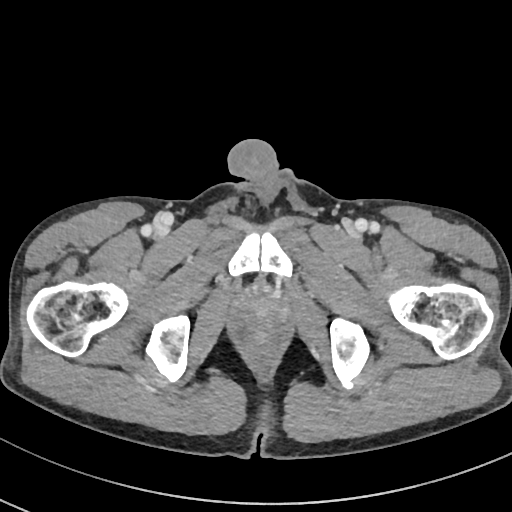
CT abdomen · axial view
Boxes are (x1, y1, x2, y2) in pixels.
prostate/uterus: (244, 297, 280, 323)